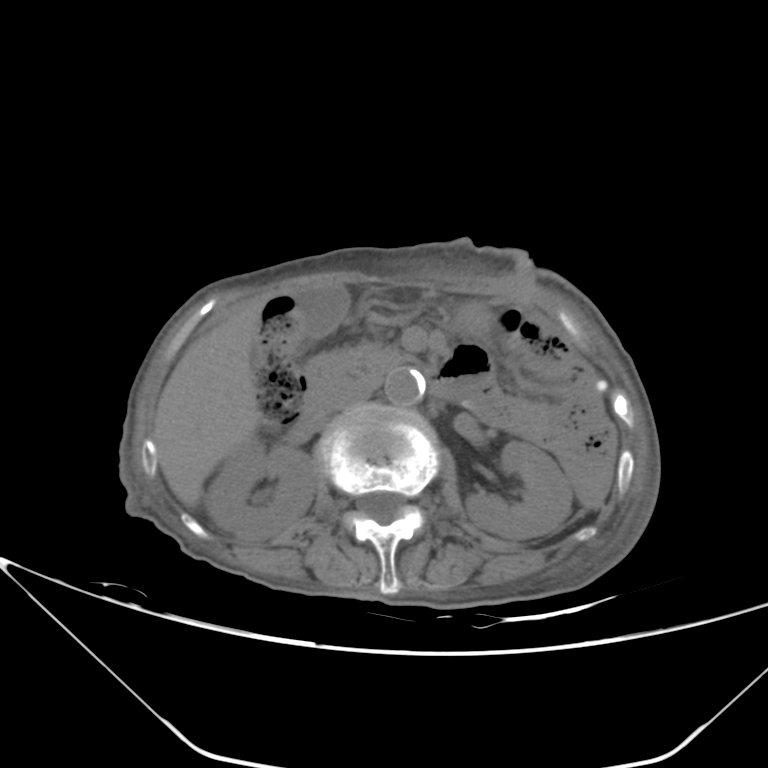

Abdominal CT. Axial slice 60/88. 768x768 px. 14 organs annotated in this scan (a whole-scan count: organs this slice does not pass through have no box)
Boxes: x1:y1:x2:y2 in pixels. The annotated organs in this slice are: aorta at 384:368:425:405, duodenum at 304:350:350:420, stomach at 455:301:495:336, gall bladder at 296:286:348:339, right kidney at 205:440:316:540, pancreas at 348:342:400:377, inferior vena cava at 320:378:378:413, left kidney at 466:441:572:539, liver at 154:299:262:507.